Abdominal CT · axial view · 56-year-old female patient · acquired on Aquilion ONE · 15 organs annotated in this scan (a whole-scan count: organs this slice does not pass through have no box)
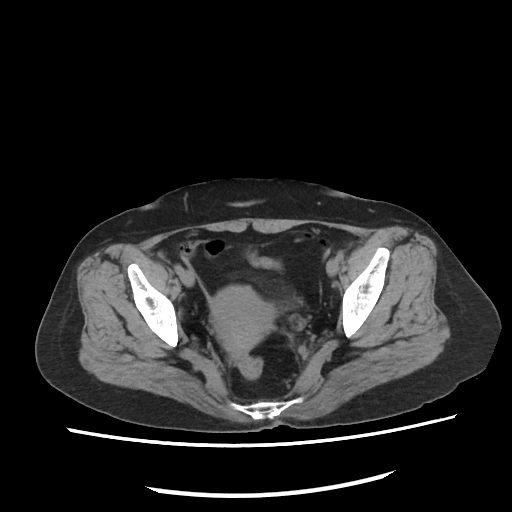

Boxes are (x1, y1, x2, y2) in pixels.
prostate/uterus: (210, 284, 273, 350)